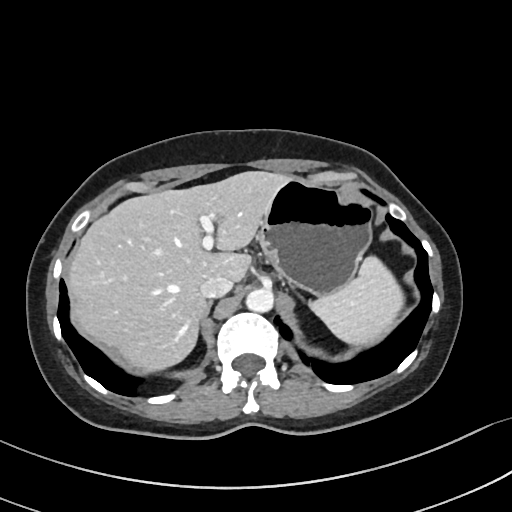

Abdominal CT; axial plane, index 151; abdomen soft-tissue window; 512x512 px
Each box given as x1,y1,x2,y2.
Organ bounding boxes:
- spleen: x1=310, y1=256, x2=404, y2=345
- liver: x1=67, y1=171, x2=289, y2=372
- stomach: x1=256, y1=177, x2=373, y2=295
- aorta: x1=245, y1=288, x2=273, y2=312
- inferior vena cava: x1=200, y1=279, x2=233, y2=299
- right adrenal gland: x1=202, y1=300, x2=212, y2=319